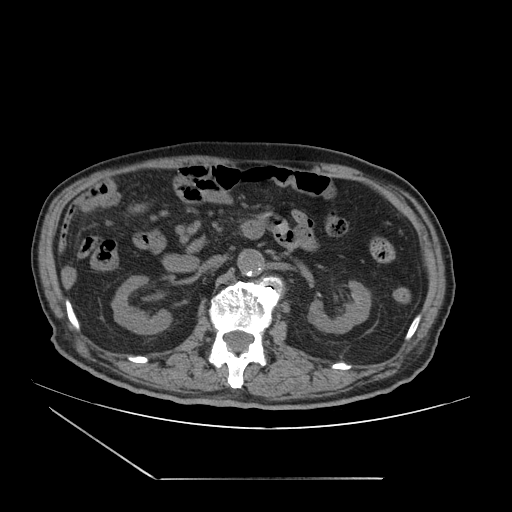

Abdominal CT. axial plane, index 119. soft-tissue window (W 400 / L 40). scan has 15 labeled organs (that count is for the whole scan; organs this slice misses have no box)
Boxes: x1 y1 x2 y2 (pixel coords, space-separated). Labeled organs on this slice: aorta at 237 250 264 277, pancreas at 186 242 204 252, inferior vena cava at 197 255 220 273, right kidney at 112 276 171 334, left kidney at 307 282 369 334, duodenum at 163 220 265 270.